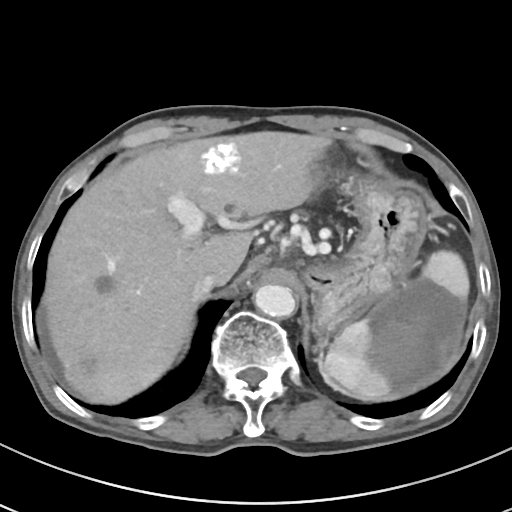
CT, abdomen/pelvis — axial view — 512x512 px
<organs><organ name="spleen" x1="320" y1="250" x2="469" y2="400"/><organ name="liver" x1="42" y1="131" x2="328" y2="404"/><organ name="stomach" x1="304" y1="180" x2="426" y2="332"/><organ name="aorta" x1="254" y1="284" x2="295" y2="317"/><organ name="inferior vena cava" x1="192" y1="272" x2="218" y2="301"/></organs>